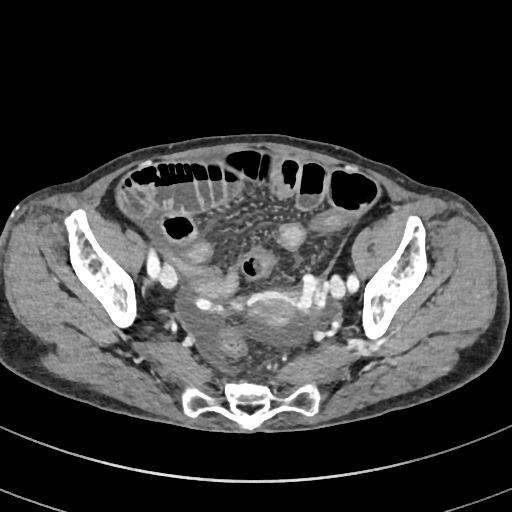
CT abdomen; Axial slice 43/198
{"organs":{"prostate/uterus":[246,290,298,330]}}